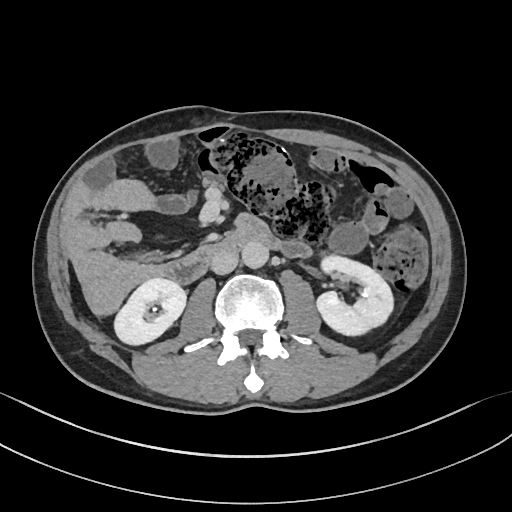
CT, abdomen/pelvis · Axial slice 144/230 · 512x512 px · acquired on SOMATOM Force · 14 organs annotated in this scan (that count is for the whole scan; organs this slice misses have no box)
Boxes: x1 y1 x2 y2 (pixel coords, space-separated).
right kidney: 114 278 186 345
duodenum: 160 233 282 283
aorta: 241 242 268 268
left kidney: 316 255 393 335
inferior vena cava: 211 250 238 274